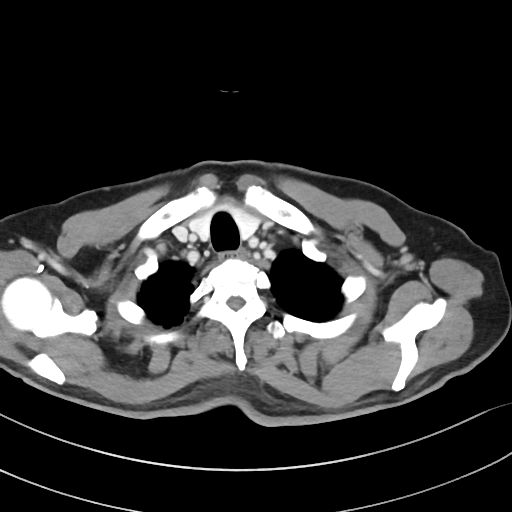 Abdominal CT reaching into the chest; this slice is in the chest · axial view · soft-tissue window, W/L 400/40
At this level of the chest no structure but the esophagus and the aorta has a label in this dataset, and those two are boxed only where they are labeled. Coordinates as <box>x1,y1,x2,y2</box> in pixels. Labeled organs on this slice: esophagus at <box>219,249,244,260</box>.